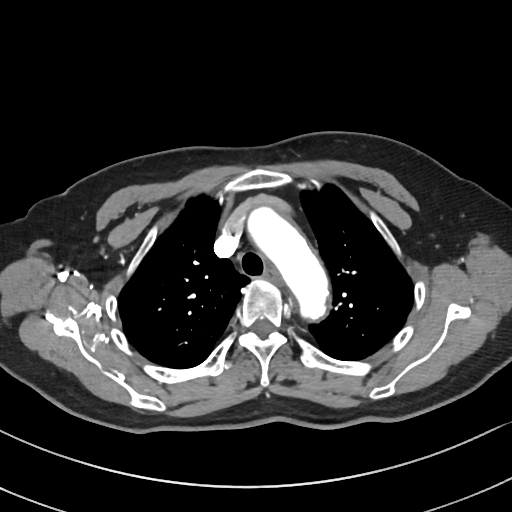

Chest-level slice from an abdominal CT that extends up into the chest — axial view
At this level of the chest this dataset labels only the esophagus and the aorta, and each is boxed only where it is labeled; the heart and lungs are never labeled.
<organs><organ name="esophagus" x1="263" y1="270" x2="280" y2="285"/><organ name="aorta" x1="245" y1="205" x2="329" y2="322"/></organs>